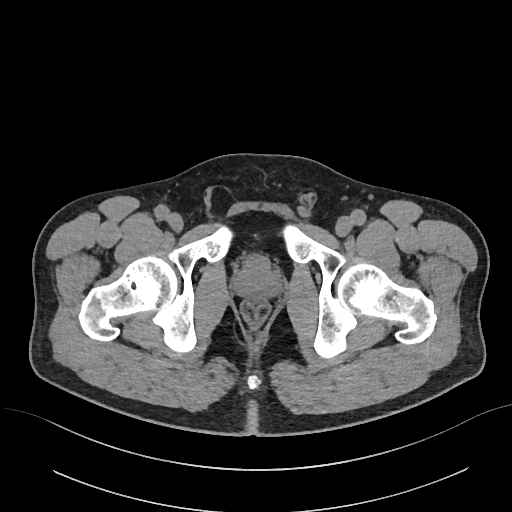 Computed tomography, abdomen; axial view; 512x512 px
Coordinates as <box>x1,y1,x2,y2</box> in pixels. The annotated organs in this slice are: prostate/uterus at <box>234,257,280,297</box>.